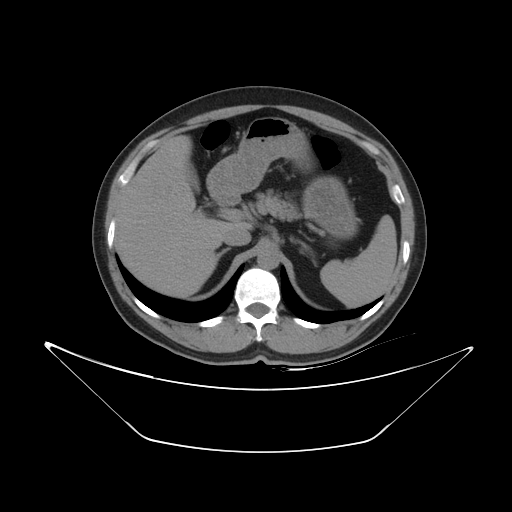

CT abdomen — Axial slice 70/83 — acquired on Brilliance16 — scan has 15 labeled organs (counted over the whole 3D scan, not this slice; an organ is boxed only where this slice passes through it)
{"organs":{"spleen":[320,215,397,307],"gall bladder":[186,161,199,190],"liver":[115,135,251,297],"stomach":[207,117,354,234],"aorta":[257,248,279,269],"inferior vena cava":[223,227,251,245],"pancreas":[256,192,301,220],"right adrenal gland":[217,248,230,259],"left adrenal gland":[289,237,310,249],"duodenum":[227,197,239,204]}}